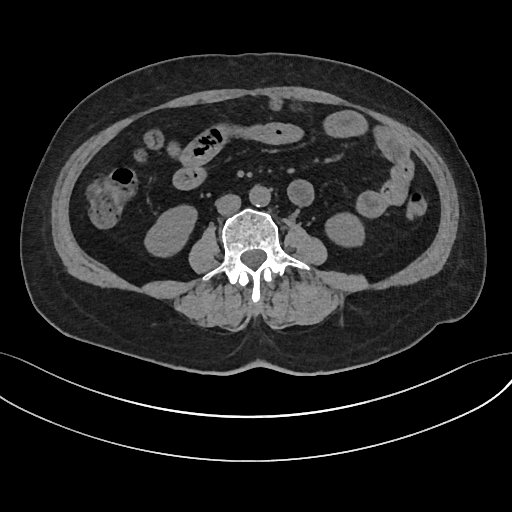 Computed tomography, abdomen. Axial slice 103/207. W/L 400/40 HU. 512x512 px
Organ boxes in pixel coordinates; each row gives the top-left (x1, y1) and bottom-right (x2, y2) corners.
| organ | x1 | y1 | x2 | y2 |
|---|---|---|---|---|
| aorta | 248 | 186 | 270 | 206 |
| inferior vena cava | 216 | 194 | 241 | 213 |
| right kidney | 144 | 204 | 197 | 255 |
| left kidney | 323 | 212 | 364 | 246 |